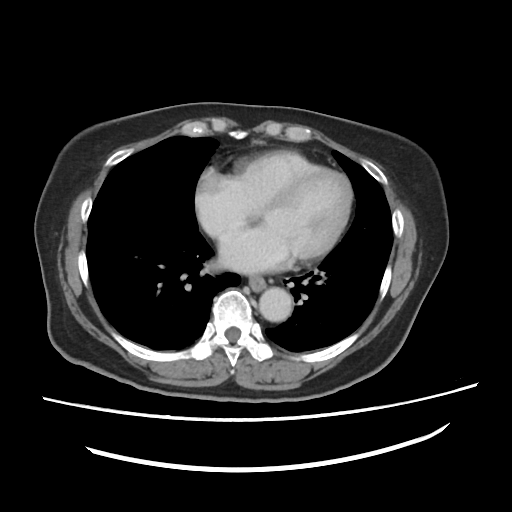
Lower-chest slice from an abdominal CT, just above the liver and spleen — axial view — 61-year-old female patient — scan has 14 labeled organs (that count is for the whole scan; organs this slice misses have no box)
No part of the heart or lungs is labeled in this dataset, so neither has a box here. Boxes: x1 y1 x2 y2 (pixel coords, space-separated). 2 labeled organs on this slice — esophagus at 249 277 267 291; aorta at 258 286 292 320.